CT abdomen. axial view. W/L 400/40 HU. 512x512 px
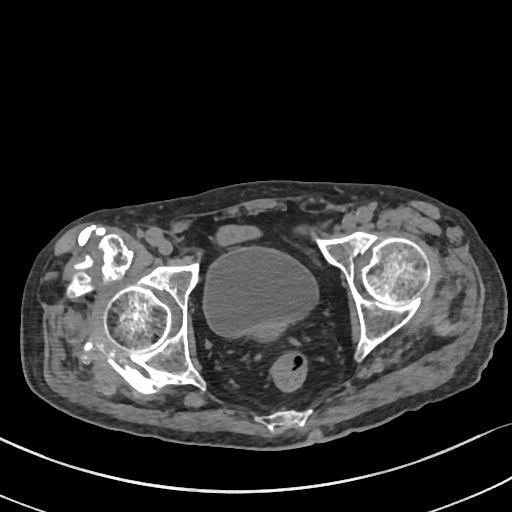 {"organs":{"bladder":[204,248,315,335]}}